CT, abdomen/pelvis; Axial slice 170/204; soft-tissue window
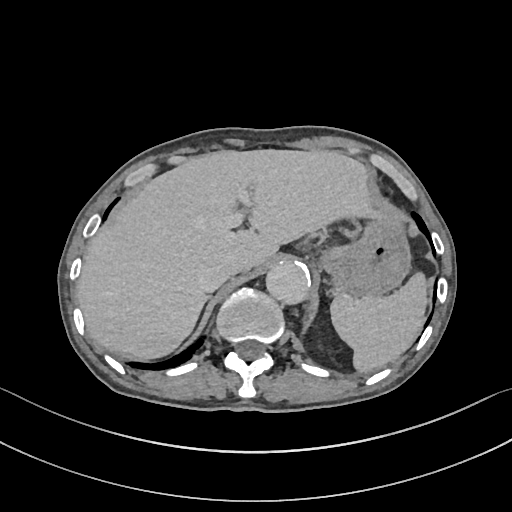 Coordinates as <box>x1,y1,x2,y2</box> in pixels.
Organ bounding boxes:
- spleen: <box>331,273,426,371</box>
- liver: <box>76,149,386,359</box>
- stomach: <box>318,219,410,297</box>
- aorta: <box>266,261,310,305</box>
- inferior vena cava: <box>200,257,237,290</box>